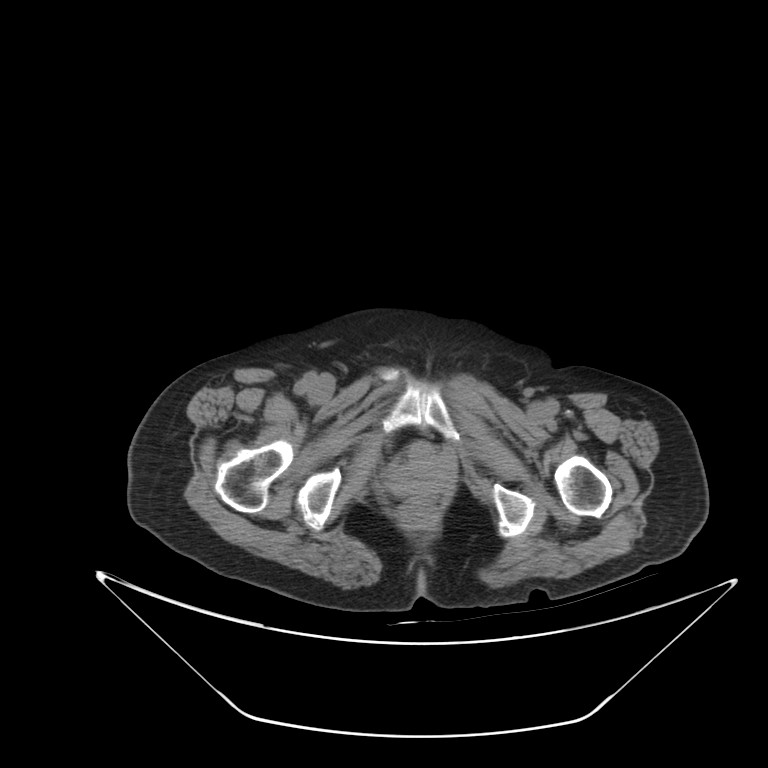

CT, abdomen/pelvis; axial view; W/L 400/40 HU; 78-year-old female patient
{"organs":{"bladder":[409,441,428,460]}}